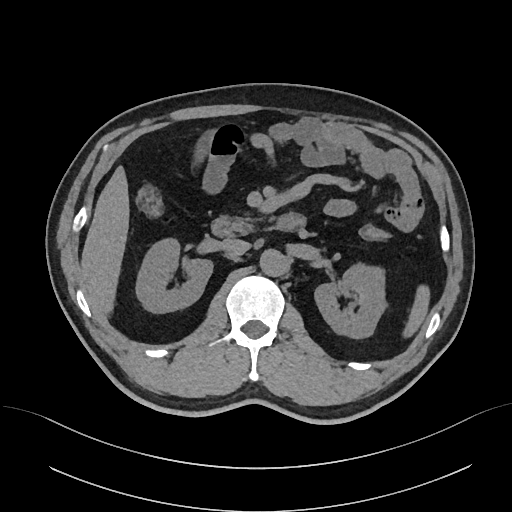
Abdominal CT — axial view — W/L 400/40 HU — 512x512 px — 15 organs annotated in this scan (counted over the whole 3D scan, not this slice; an organ is boxed only where this slice passes through it)
{"organs":{"spleen":[403,284,429,337],"right kidney":[135,238,212,313],"left kidney":[314,263,386,338],"liver":[81,166,129,314],"aorta":[259,249,287,275],"inferior vena cava":[221,238,250,256],"duodenum":[211,212,305,236]}}